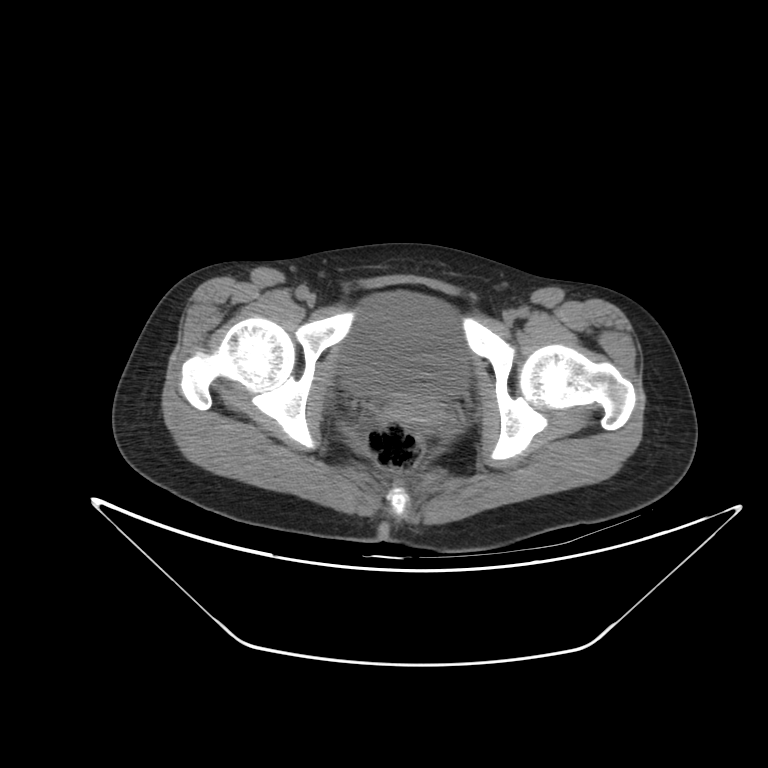
CT abdomen — axial view — scan has 15 labeled organs (that count is for the whole scan; organs this slice misses have no box)
Boxes are (x1, y1, x2, y2) in pixels.
bladder: (342, 292, 468, 398)